CT abdomen · Axial slice 52/93 · 768x768 px · 14 organs annotated in this scan (that count is for the whole scan; organs this slice misses have no box)
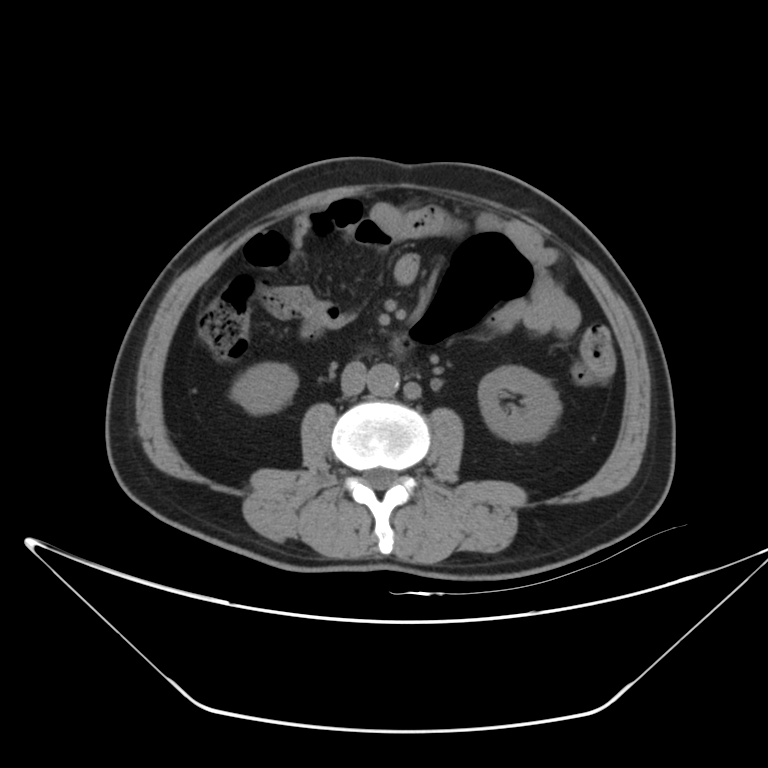
{"organs":{"right kidney":[231,363,297,414],"left kidney":[478,366,560,441],"aorta":[367,363,399,396],"inferior vena cava":[341,361,365,394],"duodenum":[390,340,414,360]}}